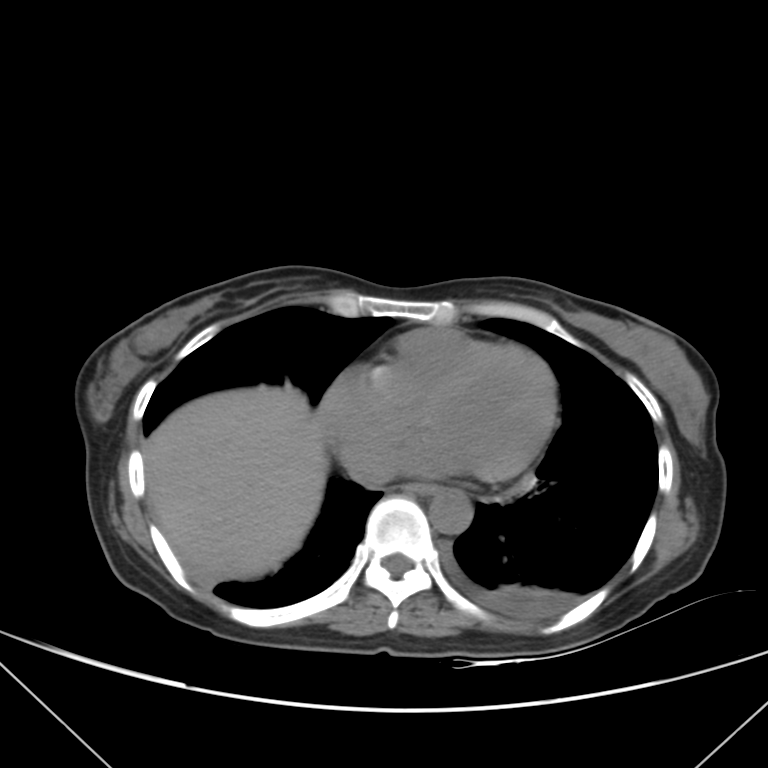

Computed tomography, abdomen; axial plane, index 87; soft-tissue window; Brilliance16 scanner
{"organs":{"esophagus":[411,484,434,493],"liver":[142,384,327,581],"aorta":[430,491,471,534],"inferior vena cava":[348,447,397,486]}}